Magnetic resonance imaging, abdomen · coronal plane, index 9 · percentile-normalized
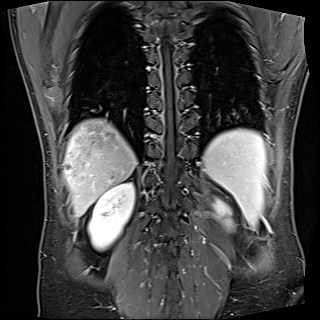
Box edges are left/top/right/bottom in pixels.
Organ bounding boxes:
- spleen: left=203, top=129, right=266, bottom=227
- right kidney: left=88, top=182, right=134, bottom=249
- left kidney: left=215, top=202, right=228, bottom=221
- liver: left=64, top=119, right=136, bottom=216